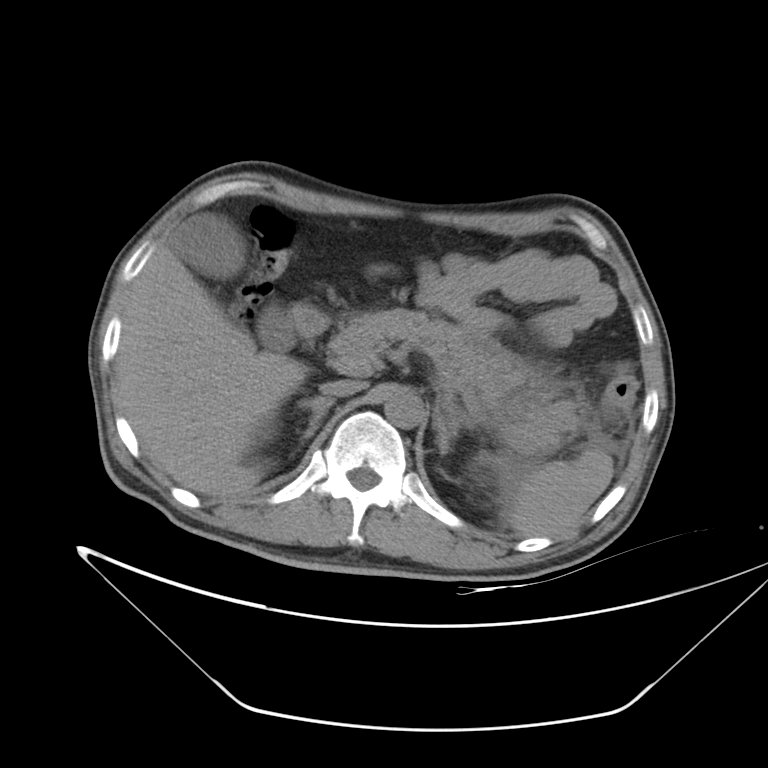
Computed tomography, abdomen — axial view — scan has 15 labeled organs (counted over the whole 3D scan, not this slice; an organ is boxed only where this slice passes through it)
{"organs":{"inferior vena cava":[320,379,364,396],"liver":[117,214,303,496],"pancreas":[327,308,575,453],"gall bladder":[169,215,293,350],"left adrenal gland":[433,414,460,455],"aorta":[383,391,424,428],"spleen":[507,449,613,536],"right adrenal gland":[298,397,334,439],"duodenum":[290,304,329,337]}}